Chest-level slice from an abdominal CT that extends up into the chest. Axial slice 217/280. 512x512 px. acquired on SOMATOM Force
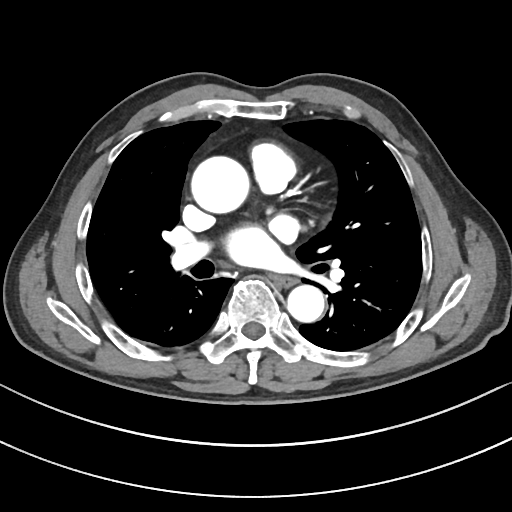 At this level of the chest this dataset labels only the esophagus and the aorta, and each is boxed only where it is labeled; the heart and lungs are never labeled.
{"organs":{"aorta":[[191,156,249,213],[287,285,324,322]],"esophagus":[273,276,297,286]}}